Computed tomography, abdomen; axial view; soft-tissue window (W 400 / L 40)
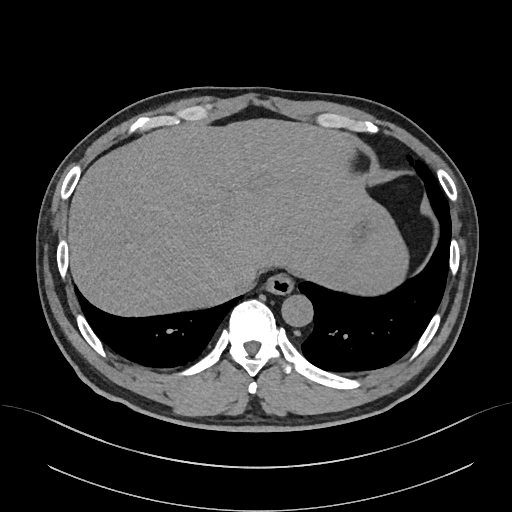
{"organs":{"esophagus":[265,273,293,294],"liver":[68,118,408,315],"stomach":[350,208,373,249],"aorta":[281,294,312,326],"inferior vena cava":[231,267,257,293]}}